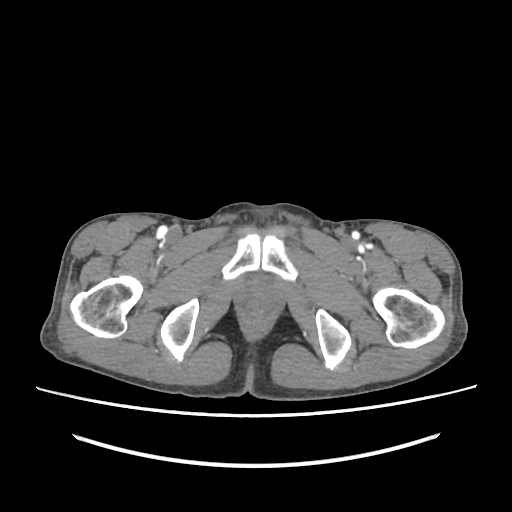

CT abdomen · axial view
Bounding boxes as [x1, y1, x2, y2] in pixel coordinates.
Organ bounding boxes:
- prostate/uterus: [248, 281, 271, 301]